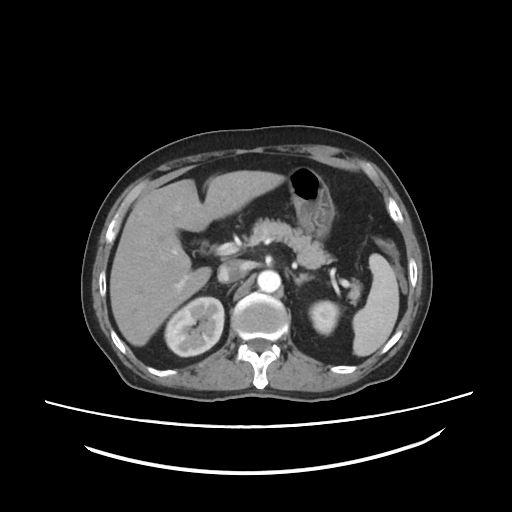
Computed tomography, abdomen · axial view · soft-tissue window · 68-year-old male patient · Aquilion ONE scanner
Boxes are (x1, y1, x2, y2) in pixels.
spleen: (352, 253, 398, 356)
right kidney: (164, 297, 224, 356)
left kidney: (309, 301, 339, 334)
liver: (109, 170, 285, 346)
stomach: (287, 167, 334, 237)
aorta: (257, 270, 280, 292)
inferior vena cava: (217, 259, 247, 282)
pancreas: (248, 218, 361, 300)
left adrenal gland: (293, 273, 313, 284)